Abdominal CT reaching into the chest; this slice is in the chest; axial view; 512x512 px; 54-year-old male patient
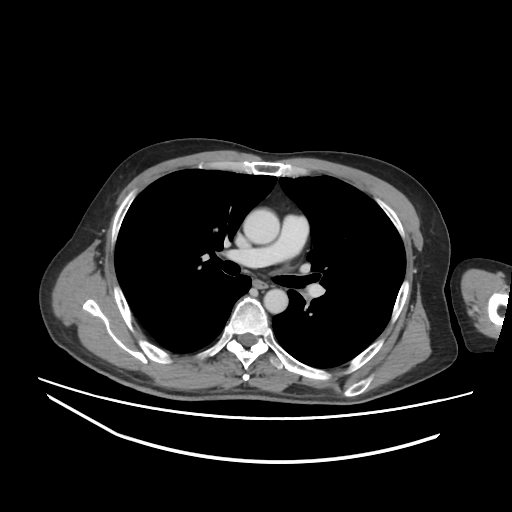 At this level of the chest this dataset labels only the esophagus and the aorta, and each is boxed only where it is labeled; the heart and lungs are never labeled.
Boxes are (x1, y1, x2, y2) in pixels.
esophagus: (253, 279, 269, 288)
aorta: (243, 208, 279, 244)
aorta: (263, 289, 288, 313)